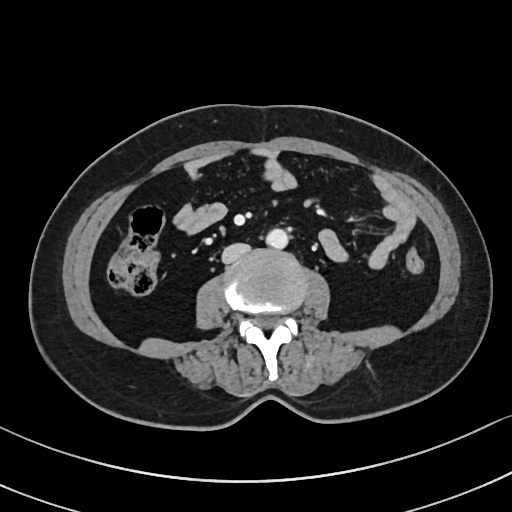
CT, abdomen/pelvis — axial view — scan has 14 labeled organs (a whole-scan count: organs this slice does not pass through have no box)
{"organs":{"inferior vena cava":[221,243,250,263],"aorta":[266,229,288,248]}}